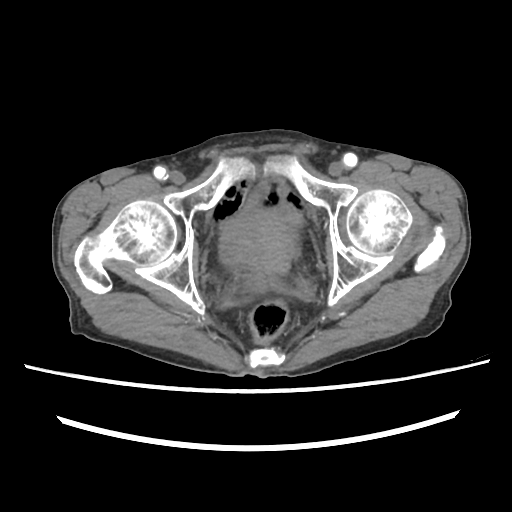 Abdominal CT; axial view; 512x512 px
{"organs":{"bladder":[221,203,301,261],"prostate/uterus":[229,216,296,274]}}